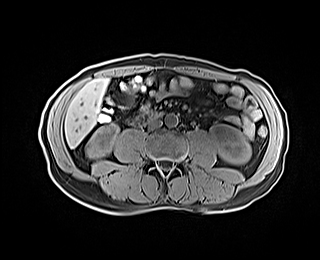 Abdominal MRI. axial view
Organ boxes in pixel coordinates; each row gives the top-left (x1, y1) and bottom-right (x2, y2) corners.
| organ | x1 | y1 | x2 | y2 |
|---|---|---|---|---|
| right kidney | 86 | 124 | 118 | 158 |
| left kidney | 208 | 124 | 251 | 164 |
| gall bladder | 117 | 94 | 132 | 108 |
| liver | 65 | 78 | 108 | 147 |
| aorta | 165 | 113 | 177 | 126 |
| inferior vena cava | 148 | 118 | 161 | 129 |
| duodenum | 128 | 110 | 163 | 125 |